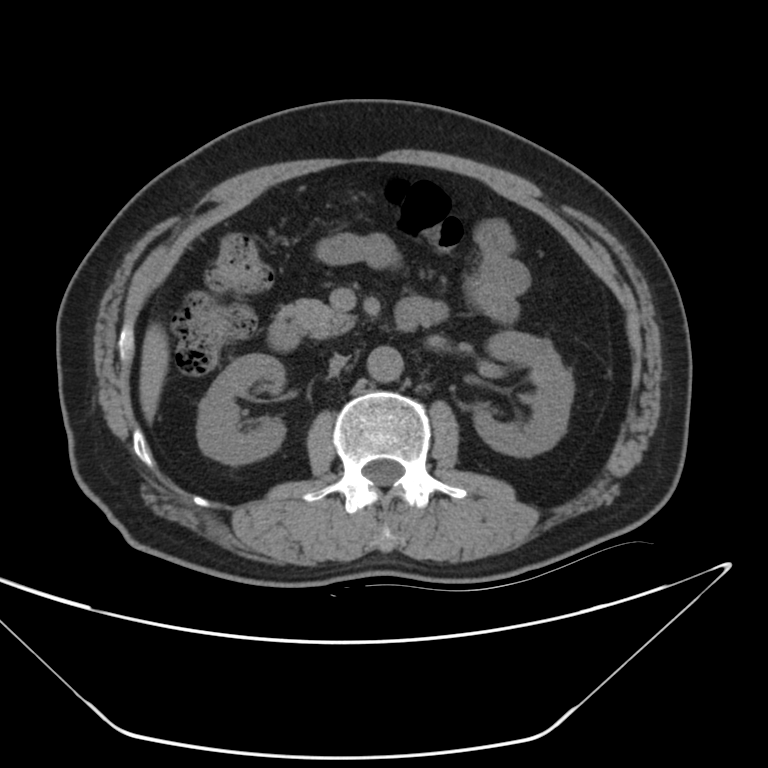

Computed tomography, abdomen · axial view · soft-tissue window (W 400 / L 40) · 768x768 px
Each box given as x1,y1,x2,y2.
Organ bounding boxes:
- right kidney: x1=198, y1=353, x2=286, y2=461
- left kidney: x1=472, y1=333, x2=571, y2=457
- liver: x1=139, y1=326, x2=170, y2=421
- aorta: x1=366, y1=345, x2=402, y2=381
- inferior vena cava: x1=330, y1=355, x2=345, y2=373
- pancreas: x1=280, y1=301, x2=356, y2=340
- duodenum: x1=268, y1=295, x2=442, y2=348